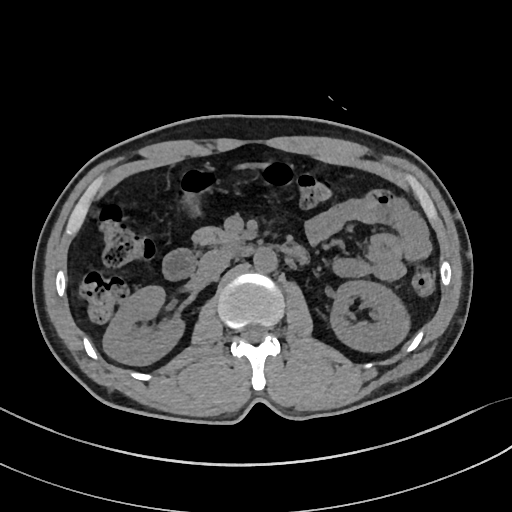 CT, abdomen/pelvis · Axial slice 153/228
One row per box, in pixels: columns x1 and y1 give the top-left corner, x2 and y2 the bottom-right.
| organ | x1 | y1 | x2 | y2 |
|---|---|---|---|---|
| right kidney | 103 | 286 | 183 | 364 |
| left kidney | 330 | 280 | 407 | 351 |
| aorta | 253 | 246 | 276 | 271 |
| inferior vena cava | 198 | 248 | 231 | 279 |
| pancreas | 194 | 227 | 241 | 244 |
| duodenum | 162 | 238 | 307 | 280 |